Abdominal CT · axial view · 512x512 px
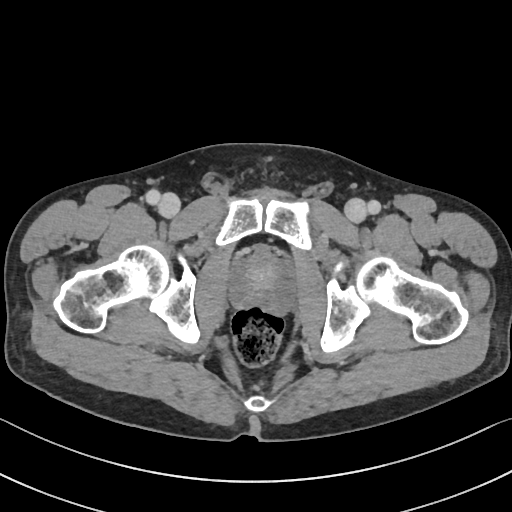

{"organs":{"prostate/uterus":[230,250,294,313]}}